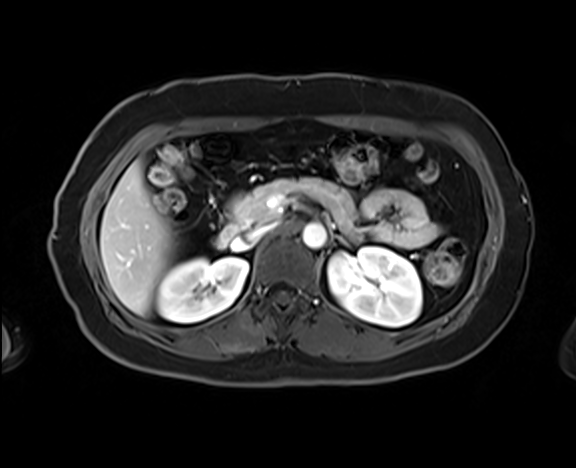

Magnetic resonance imaging, abdomen — axial view — percentile-normalized — 576x468 px
{"organs":{"right kidney":[157,257,248,321],"left kidney":[328,247,421,327],"liver":[100,161,176,315],"aorta":[302,223,326,248],"inferior vena cava":[246,223,275,242],"pancreas":[232,177,354,232],"left adrenal gland":[338,237,341,239],"duodenum":[216,223,237,248]}}